CT abdomen; axial view; abdomen soft-tissue window; 15 organs annotated in this scan (that count is for the whole scan; organs this slice misses have no box)
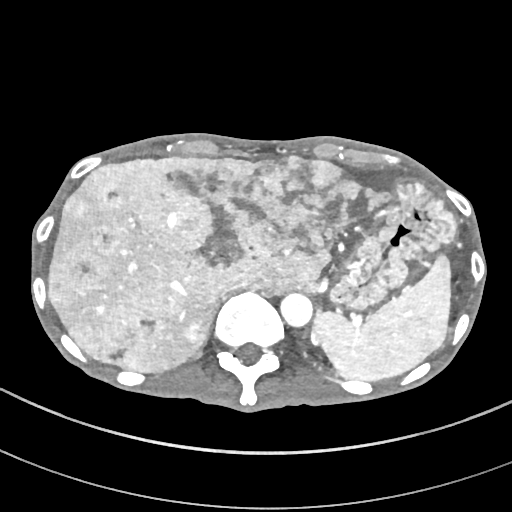 Bounding boxes in pixels, one row per box: x1, y1 is the top-left corner and x2, y2 the bottom-right.
| organ | x1 | y1 | x2 | y2 |
|---|---|---|---|---|
| spleen | 313 | 255 | 450 | 381 |
| liver | 48 | 155 | 392 | 371 |
| stomach | 329 | 176 | 457 | 310 |
| aorta | 280 | 292 | 313 | 327 |
| inferior vena cava | 219 | 285 | 252 | 301 |